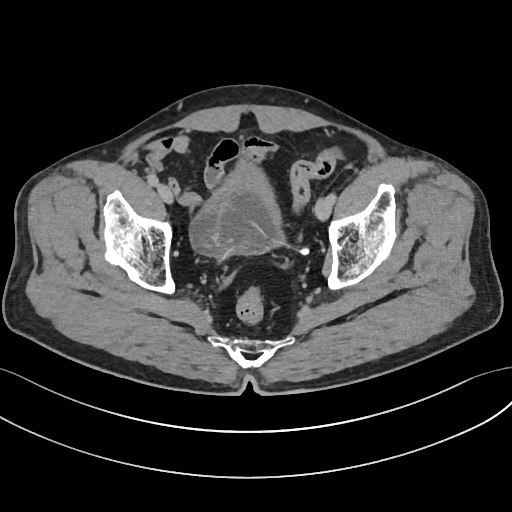
Computed tomography, abdomen; Axial slice 53/224; 512x512 px; acquired on SOMATOM Force; scan has 15 labeled organs (that count is for the whole scan; organs this slice misses have no box)
Box edges are left/top/right/bottom in pixels. The annotated organs in this slice are: bladder at left=191, top=160, right=283, bottom=255.